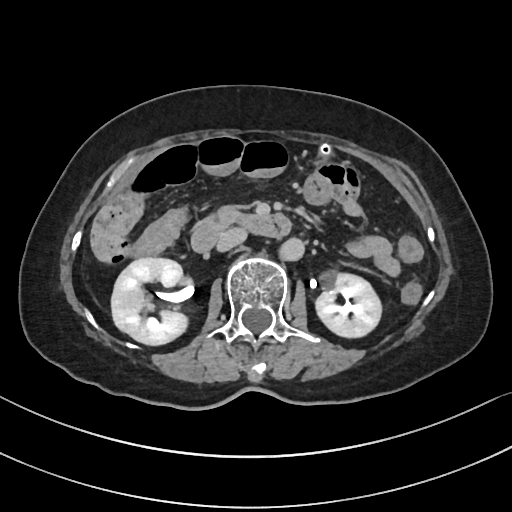 Computed tomography, abdomen; axial plane, index 133; scan has 15 labeled organs (that count is for the whole scan; organs this slice misses have no box)
{"organs":{"right kidney":[111,258,187,345],"left kidney":[316,271,381,337],"stomach":[321,147,329,154],"aorta":[280,238,303,260],"inferior vena cava":[216,227,246,251],"pancreas":[219,205,243,214],"duodenum":[190,210,291,252]}}